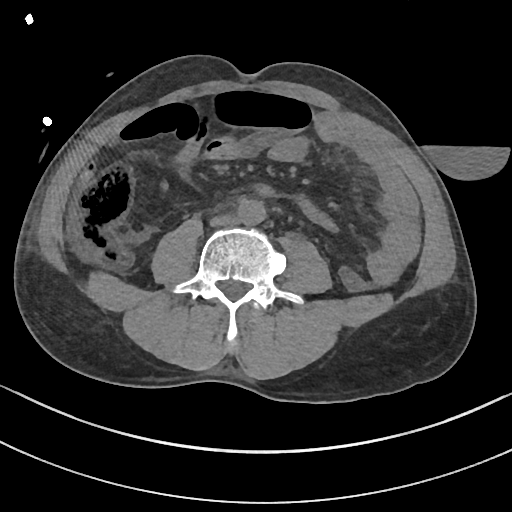
Abdominal CT. axial plane, index 116
Each box given as x1,y1,x2,y2.
aorta: x1=237, y1=199, x2=265, y2=225
inferior vena cava: x1=210, y1=214, x2=237, y2=226